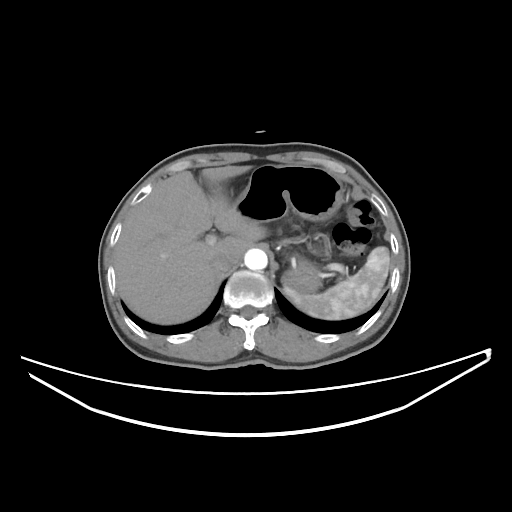
Abdominal CT. axial view. soft-tissue window. 62-year-old male patient. scan has 15 labeled organs (that count is for the whole scan; organs this slice misses have no box)
Boxes are (x1, y1, x2, y2) in pixels.
Organ bounding boxes:
- liver: (115, 166, 266, 324)
- stomach: (232, 164, 343, 293)
- inferior vena cava: (211, 253, 235, 272)
- spleen: (284, 246, 390, 319)
- aorta: (244, 249, 267, 270)